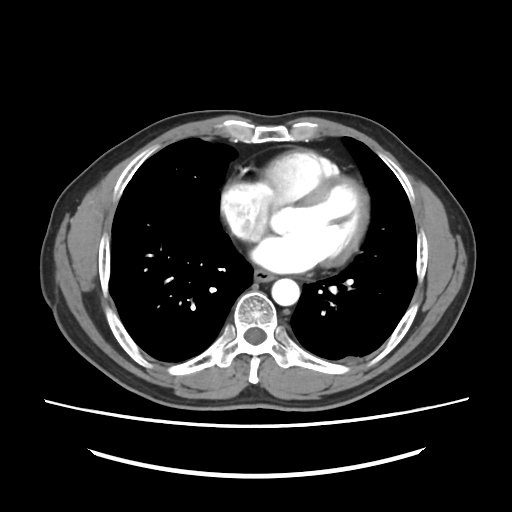
Lower-chest slice from an abdominal CT, just above the liver and spleen. Axial slice 100/134
No part of the heart or lungs is labeled in this dataset, so neither has a box here.
{"organs":{"esophagus":[254,269,274,281],"aorta":[271,278,299,305]}}